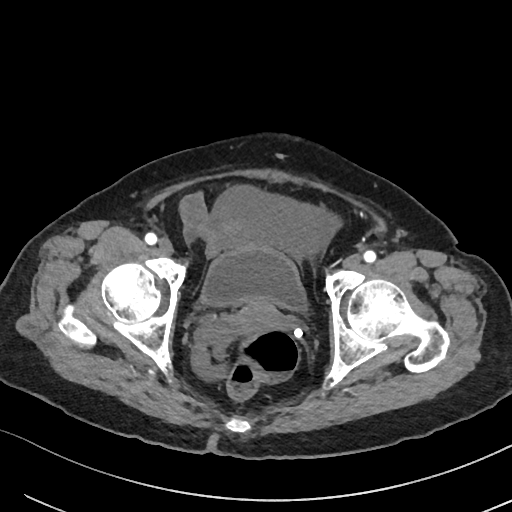

CT, abdomen/pelvis · axial view · scan has 15 labeled organs (counted over the whole 3D scan, not this slice; an organ is boxed only where this slice passes through it)
<organs><organ name="bladder" x1="203" y1="248" x2="305" y2="309"/><organ name="prostate/uterus" x1="214" y1="302" x2="279" y2="335"/></organs>